CT, abdomen/pelvis — axial view — 512x512 px
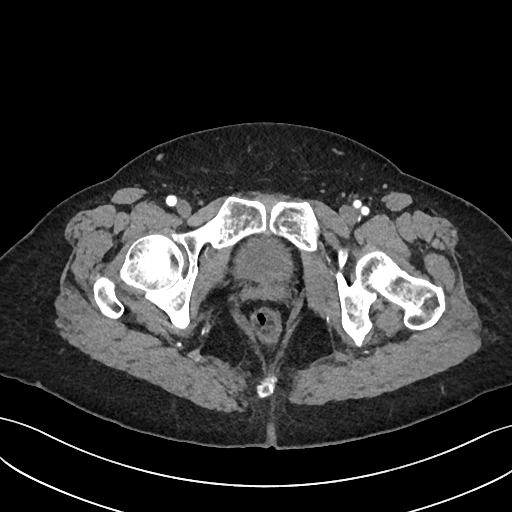

Box edges are left/top/right/bottom in pixels.
Organ bounding boxes:
- bladder: left=235, top=239, right=291, bottom=279